Computed tomography, abdomen — Axial slice 78/90 — 512x512 px — 54-year-old male patient — scan has 15 labeled organs (that count is for the whole scan; organs this slice misses have no box)
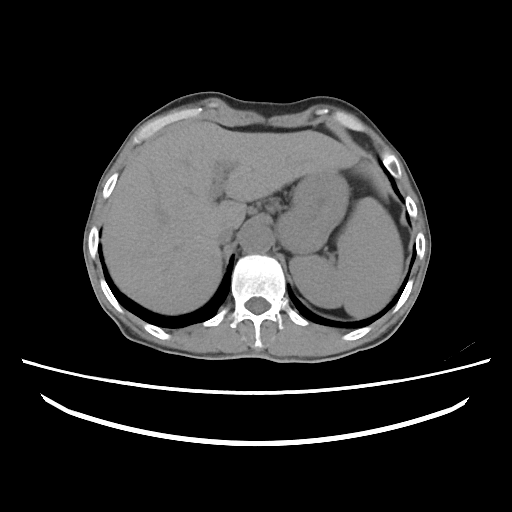 {"organs":{"spleen":[289,197,403,317],"aorta":[240,225,272,253],"stomach":[277,170,348,254],"inferior vena cava":[217,227,233,245],"liver":[102,121,361,314]}}